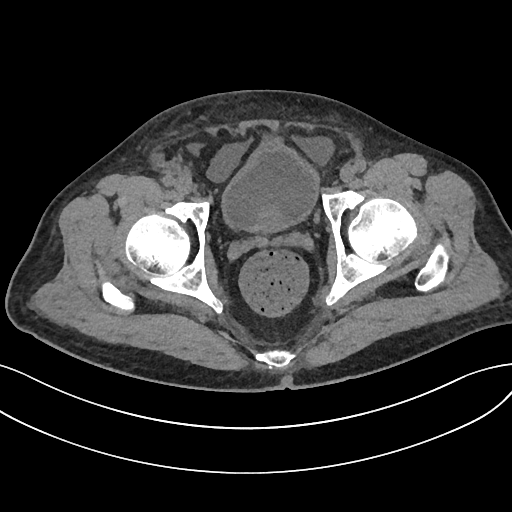 Computed tomography, abdomen — Axial slice 26/213 — abdomen soft-tissue window — 15 organs annotated in this scan (counted over the whole 3D scan, not this slice; an organ is boxed only where this slice passes through it)
Bounding boxes as [x1, y1, x2, y2] in pixel coordinates.
bladder: [222, 141, 318, 230]
prostate/uterus: [254, 207, 285, 232]